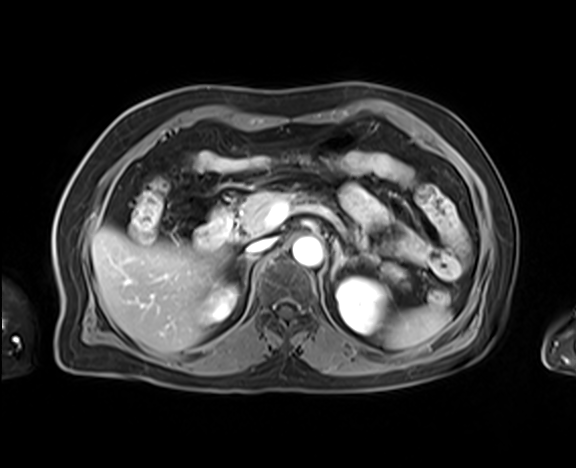 MRI, abdomen; axial view; 1st–99th percentile window
{"organs":{"aorta":[292,237,323,266],"pancreas":[237,191,406,282],"inferior vena cava":[246,239,274,254],"left kidney":[336,277,388,333],"right kidney":[201,284,238,324],"liver":[92,227,226,353],"right adrenal gland":[235,255,256,291],"duodenum":[195,209,243,248],"spleen":[381,305,450,349],"left adrenal gland":[331,243,355,278]}}